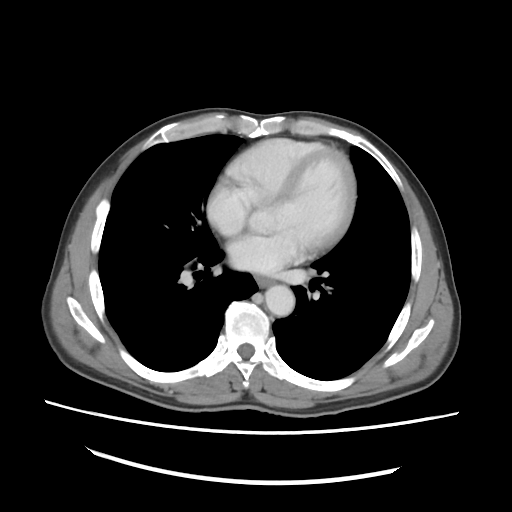
CT of the abdomen reaching into the lower chest, slice just above the liver and spleen · axial view · soft-tissue window (W 400 / L 40) · 512x512 px
Of the structures in the chest, this dataset labels only the esophagus, the aorta and the inferior vena cava; the heart and lungs have no label.
Bounding boxes in pixels, one row per box: x1, y1 is the top-left corner and x2, y2 the bottom-right.
| organ | x1 | y1 | x2 | y2 |
|---|---|---|---|---|
| aorta | 265 | 285 | 294 | 316 |
| esophagus | 256 | 276 | 272 | 286 |